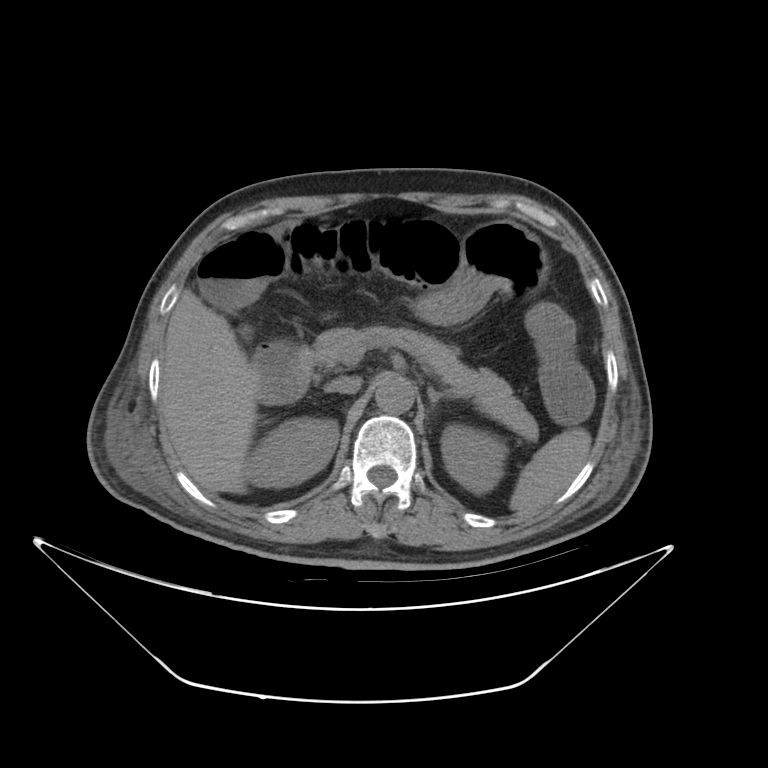

CT, abdomen/pelvis — axial view — soft-tissue window (W 400 / L 40) — Brilliance16 scanner
<organs><organ name="duodenum" x1="253" y1="341" x2="316" y2="402"/><organ name="pancreas" x1="317" y1="326" x2="537" y2="438"/><organ name="liver" x1="161" y1="289" x2="261" y2="493"/><organ name="left kidney" x1="442" y1="428" x2="505" y2="491"/><organ name="aorta" x1="375" y1="378" x2="412" y2="414"/><organ name="spleen" x1="509" y1="429" x2="590" y2="514"/><organ name="right kidney" x1="242" y1="418" x2="338" y2="490"/><organ name="stomach" x1="416" y1="220" x2="549" y2="322"/><organ name="inferior vena cava" x1="320" y1="377" x2="362" y2="394"/><organ name="left adrenal gland" x1="428" y1="384" x2="448" y2="406"/></organs>